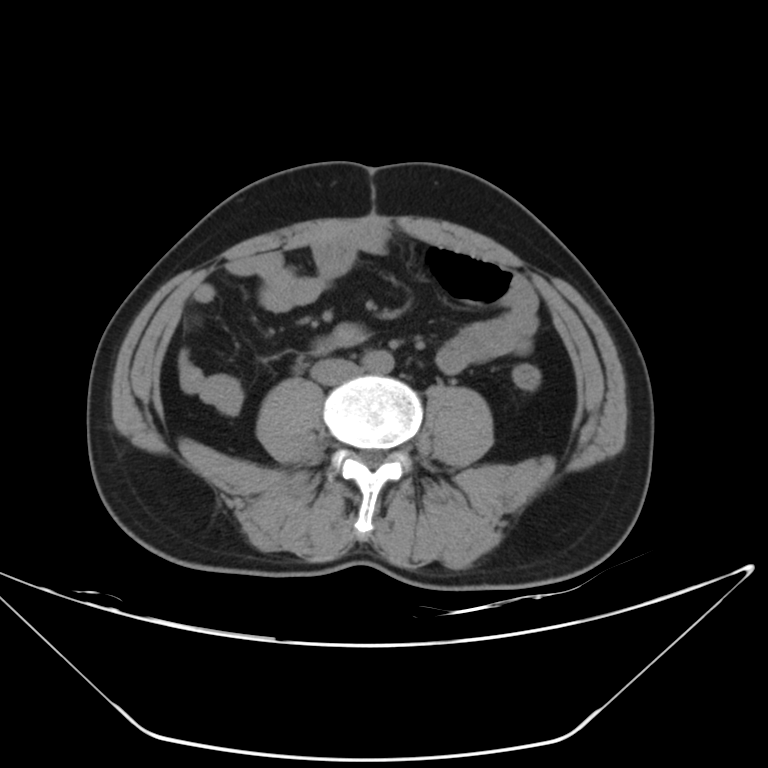
Abdominal CT — axial view — W/L 400/40 HU — 50-year-old male patient
{"organs":{"aorta":[362,350,393,373],"inferior vena cava":[311,359,360,384]}}